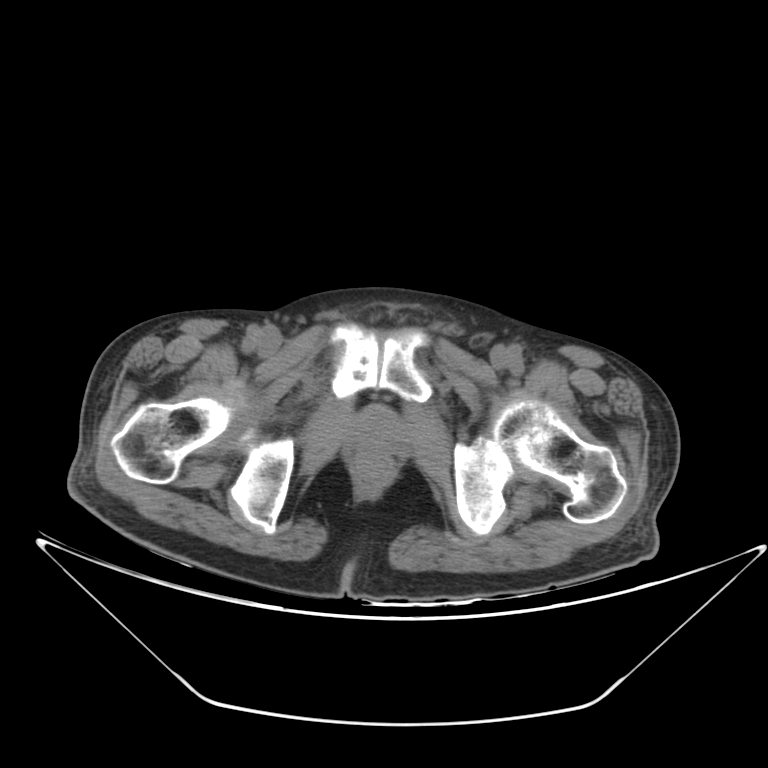 CT abdomen — axial view — 69-year-old male patient — scan has 15 labeled organs (that count is for the whole scan; organs this slice misses have no box)
Coordinates as <box>x1,y1,x2,y2</box> in pixels. Labeled organs on this slice: prostate/uterus at <box>350,410,407,454</box>.